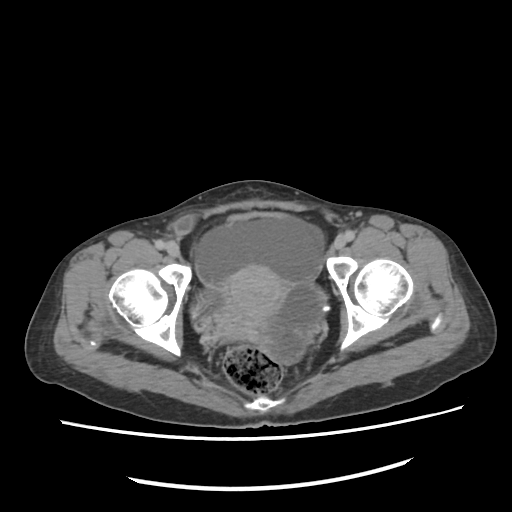

Computed tomography, abdomen; axial view; 512x512 px; scan has 15 labeled organs (that count is for the whole scan; organs this slice misses have no box)
Organ boxes in pixel coordinates; each row gives the top-left (x1, y1) and bottom-right (x2, y2) corners.
| organ | x1 | y1 | x2 | y2 |
|---|---|---|---|---|
| prostate/uterus | 228 | 266 | 280 | 313 |